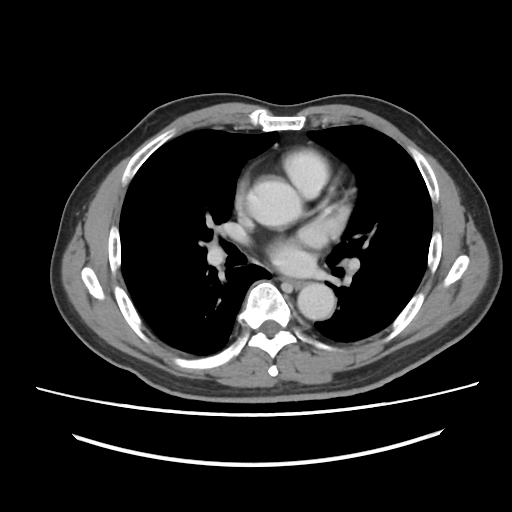
Abdominal CT reaching into the chest; this slice is in the chest · axial plane, index 96 · 512x512 px
On a slice this high in the chest, this dataset labels only the esophagus and the aorta, and each is boxed only where it is labeled; the heart, lungs and other chest structures are not labeled.
Each box given as x1,y1,x2,y2.
esophagus: x1=284, y1=279, x2=303, y2=288
aorta: x1=249, y1=181, x2=301, y2=226
aorta: x1=297, y1=283, x2=335, y2=319